CT, abdomen/pelvis; Axial slice 53/124; W/L 400/40 HU; acquired on Aquilion ONE; scan has 15 labeled organs (counted over the whole 3D scan, not this slice; an organ is boxed only where this slice passes through it)
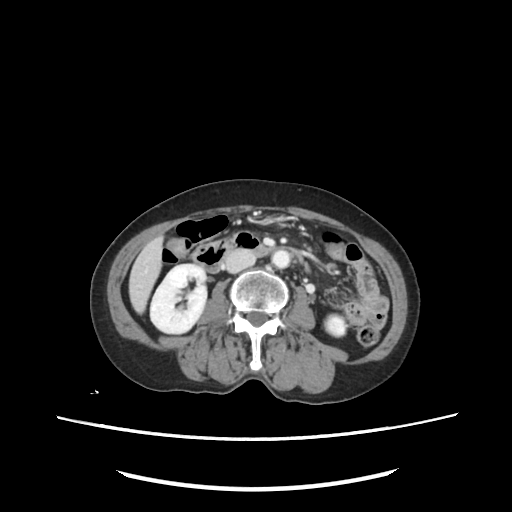

Box edges are left/top/right/bottom in pixels.
right kidney: left=149, top=264, right=206, bottom=333
left kidney: left=326, top=313, right=346, bottom=335
liver: left=128, top=236, right=162, bottom=314
aorta: left=272, top=250, right=290, bottom=268
inferior vena cava: left=224, top=252, right=254, bottom=272
duodenum: left=190, top=231, right=269, bottom=272